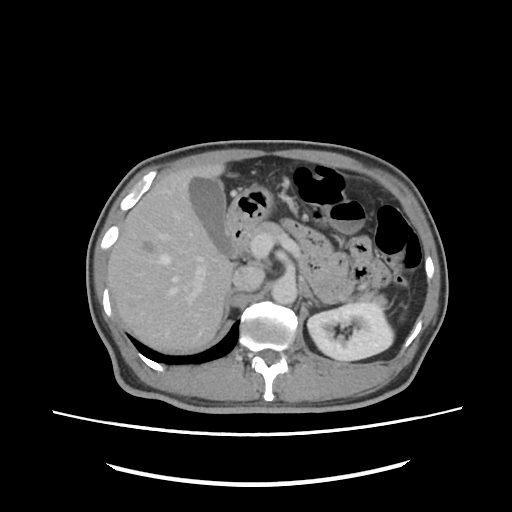
CT, abdomen/pelvis. axial plane, index 69. 512x512 px. 54-year-old male patient
Boxes: x1 y1 x2 y2 (pixel coords, space-separated).
Organ bounding boxes:
- left kidney: 307 302 393 360
- gall bladder: 189 177 232 256
- liver: 107 163 233 351
- stomach: 227 185 273 231
- aorta: 271 277 296 304
- inferior vena cava: 232 265 264 291
- pancreas: 247 221 388 307
- right adrenal gland: 222 289 234 322
- left adrenal gland: 304 286 320 305
- duodenum: 229 227 247 257